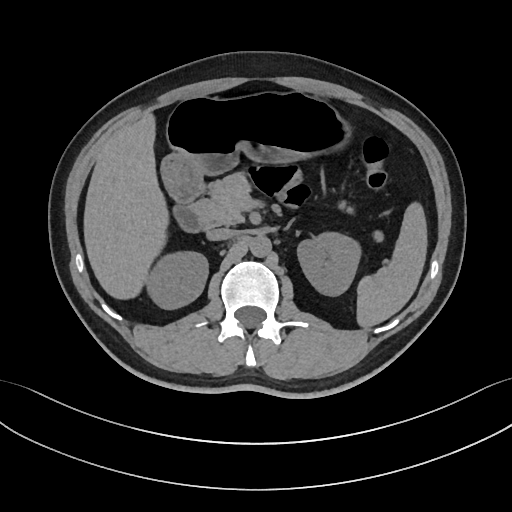
Computed tomography, abdomen · axial view · acquired on SOMATOM Force
Bounding boxes in pixels, one row per box: x1, y1 is the top-left corner and x2, y2 the bottom-right.
| organ | x1 | y1 | x2 | y2 |
|---|---|---|---|---|
| left adrenal gland | 287 | 222 | 291 | 227 |
| stomach | 161 | 89 | 345 | 196 |
| spleen | 357 | 204 | 426 | 326 |
| right kidney | 146 | 251 | 207 | 309 |
| aorta | 250 | 235 | 271 | 256 |
| liver | 84 | 114 | 167 | 298 |
| duodenum | 174 | 183 | 206 | 232 |
| left kidney | 297 | 231 | 359 | 296 |
| inferior vena cava | 206 | 228 | 236 | 241 |
| pancreas | 192 | 175 | 384 | 240 |